CT, abdomen/pelvis. axial view. W/L 400/40 HU. Aquilion ONE scanner
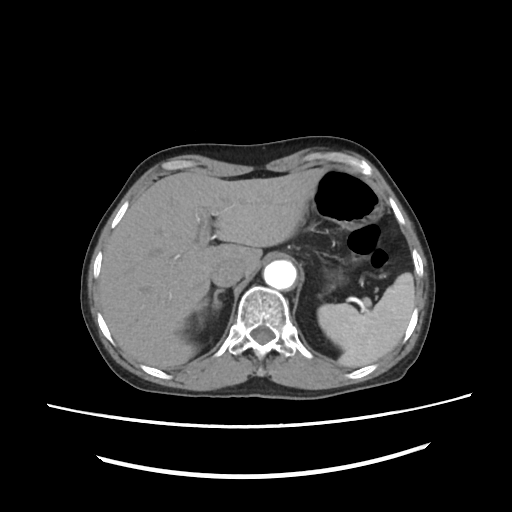

Bounding boxes in pixels, one row per box: x1, y1 is the top-left corner and x2, y2 the bottom-right.
| organ | x1 | y1 | x2 | y2 |
|---|---|---|---|---|
| right adrenal gland | 195 | 288 | 225 | 313 |
| aorta | 264 | 261 | 296 | 289 |
| stomach | 303 | 167 | 384 | 229 |
| spleen | 318 | 273 | 415 | 368 |
| inferior vena cava | 212 | 261 | 242 | 287 |
| right kidney | 197 | 319 | 204 | 329 |
| liver | 99 | 167 | 325 | 368 |